CT abdomen. axial view. 512x512 px. 54-year-old male patient
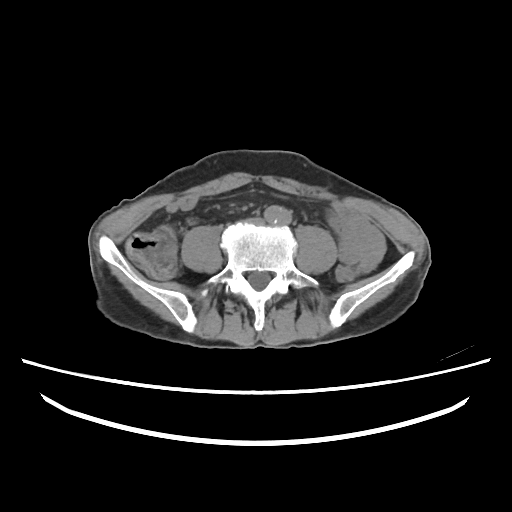

Coordinates as <box>x1,y1,x2,y2</box> in pixels.
Organ bounding boxes:
- aorta: <box>264,206,290,224</box>